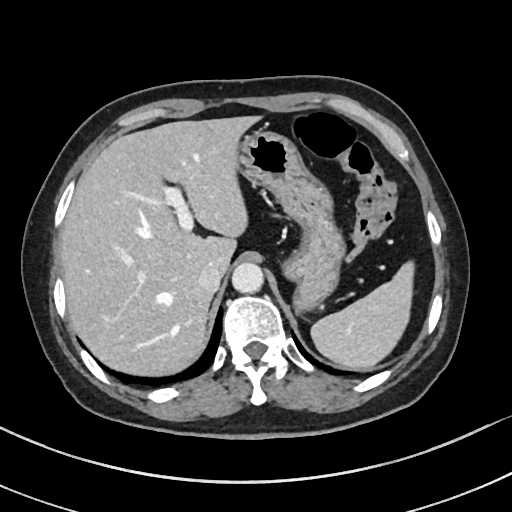 CT abdomen; Axial slice 196/314; soft-tissue window (W 400 / L 40); SOMATOM Force scanner
Boxes: x1 y1 x2 y2 (pixel coords, space-separated).
Organ bounding boxes:
- stomach: 238 130 345 311
- liver: 60 115 261 375
- aorta: 231 263 263 293
- inferior vena cava: 198 262 223 292
- spleen: 311 261 414 370